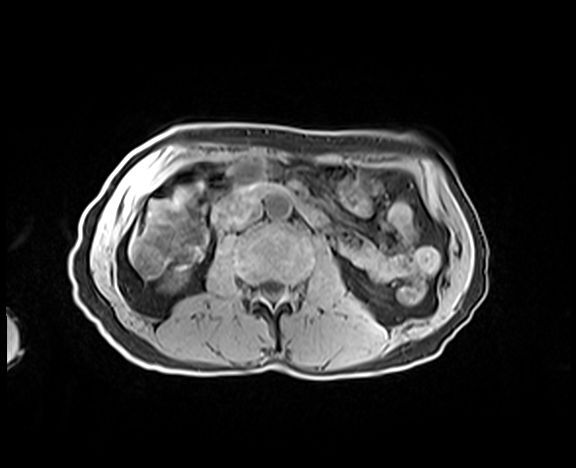
Magnetic resonance imaging, abdomen. axial view. percentile-normalized. 13 organs annotated in this scan (that count is for the whole scan; organs this slice misses have no box)
<organs><organ name="inferior vena cava" x1="226" y1="206" x2="261" y2="228"/><organ name="liver" x1="130" y1="241" x2="133" y2="254"/><organ name="right kidney" x1="169" y1="275" x2="181" y2="288"/><organ name="aorta" x1="266" y1="194" x2="291" y2="220"/><organ name="duodenum" x1="210" y1="182" x2="331" y2="228"/></organs>